Computed tomography, abdomen · axial view · soft-tissue window (W 400 / L 40) · 512x512 px
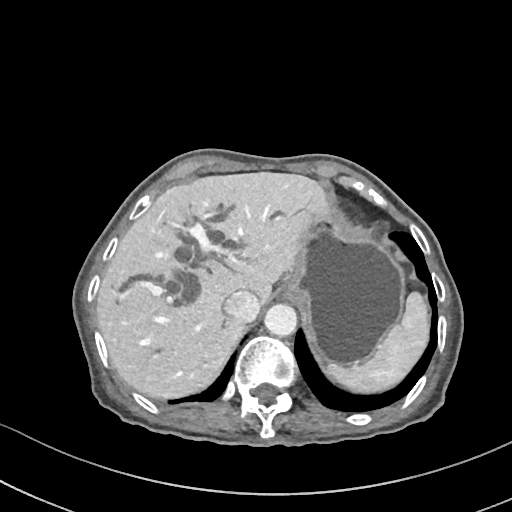
Boxes: x1:y1:x2:y2 in pixels.
inferior vena cava: 224:290:260:321
aorta: 264:304:297:336
stomach: 284:204:403:365
esophagus: 280:286:291:299
liver: 96:172:324:398
spleen: 327:292:427:390